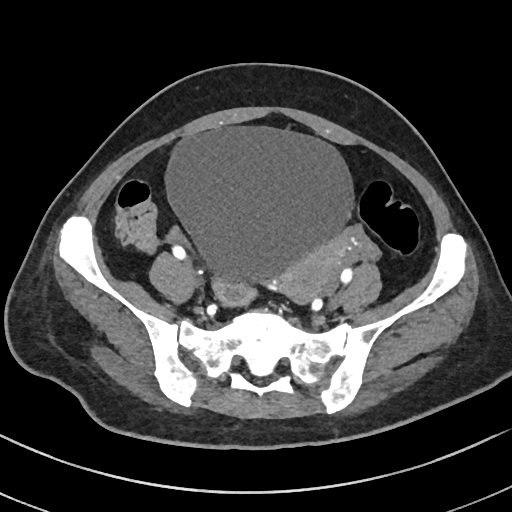
CT abdomen. axial view. soft-tissue window
{"organs":{"prostate/uterus":[280,233,348,305],"bladder":[165,127,353,285]}}